Computed tomography, abdomen — axial view — abdomen soft-tissue window — 512x512 px — SOMATOM Force scanner
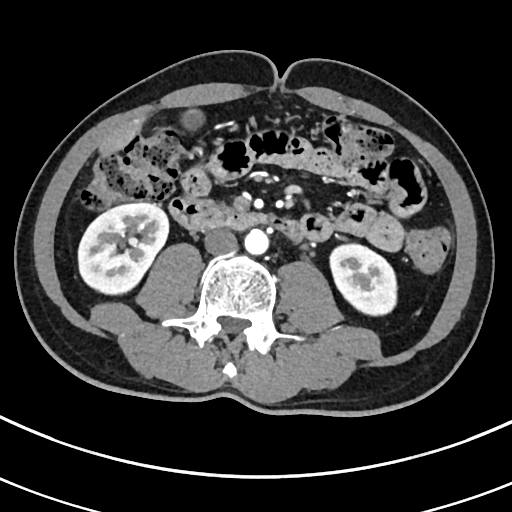
Boxes: x1:y1:x2:y2 in pixels.
Organ bounding boxes:
- left kidney: 330:244:396:315
- liver: 98:117:144:156
- aorta: 244:229:268:254
- inferior vena cava: 204:228:237:255
- gall bladder: 181:109:204:130
- duodenum: 169:197:300:238
- right kidney: 78:202:168:294